CT abdomen — axial view — abdomen soft-tissue window — 49-year-old male patient
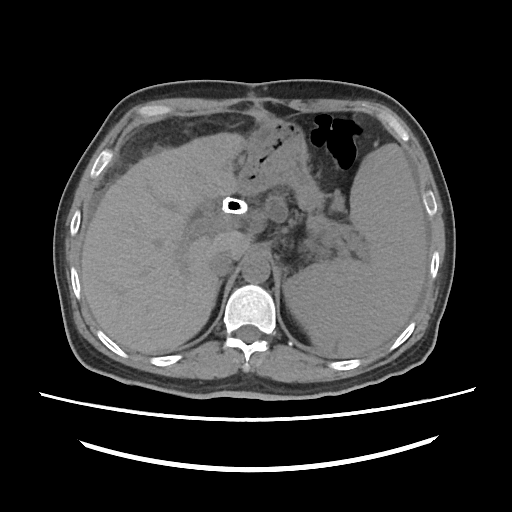
Box edges are left/top/right/bottom in pixels.
Organ bounding boxes:
- spleen: left=283, top=144, right=426, bottom=352
- liver: left=81, top=132, right=251, bottom=353
- stomach: left=237, top=120, right=327, bottom=250
- aorta: left=242, top=256, right=270, bottom=283
- inferior vena cava: left=209, top=249, right=234, bottom=276
- right adrenal gland: left=214, top=281, right=222, bottom=305